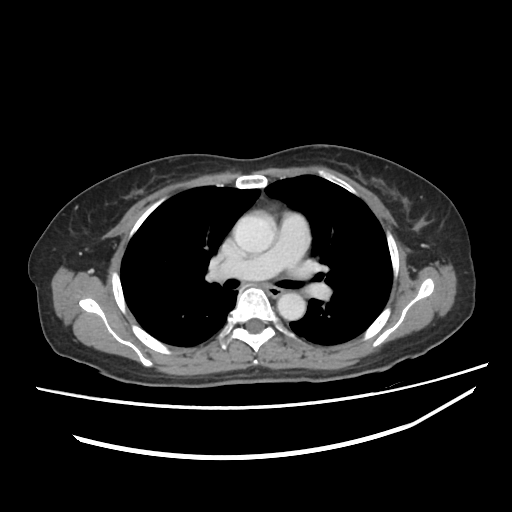
CT of the abdomen extending into the chest, slice through the chest — axial view — 512x512 px
At this level of the chest no structure but the esophagus and the aorta has a label in this dataset, and those two are boxed only where they are labeled.
Bounding boxes as [x1, y1, x2, y2] in pixel coordinates.
aorta: [233, 211, 276, 253]
aorta: [277, 292, 305, 320]
esophagus: [266, 287, 282, 295]